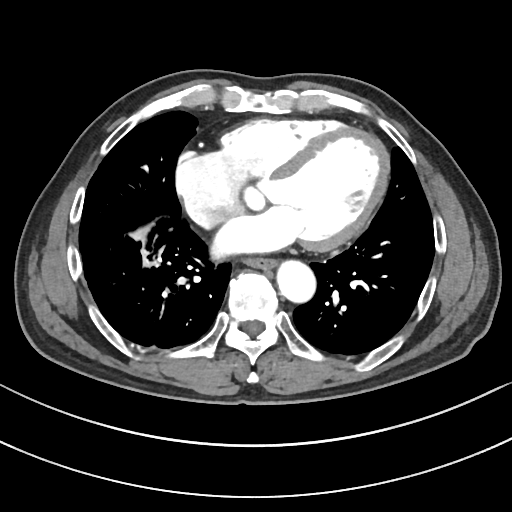 Lower-chest slice from an abdominal CT, just above the liver and spleen; axial view; soft-tissue window, W/L 400/40; 512x512 px; SOMATOM Force scanner; 15 organs annotated in this scan (counted over the whole 3D scan, not this slice; an organ is boxed only where this slice passes through it)
The heart and lungs are never labeled in this dataset, so they have no box on this slice. Each box given as x1,y1,x2,y2. 2 labeled organs on this slice — esophagus at x1=247, y1=260, x2=278, y2=270; aorta at x1=278, y1=262, x2=316, y2=304.